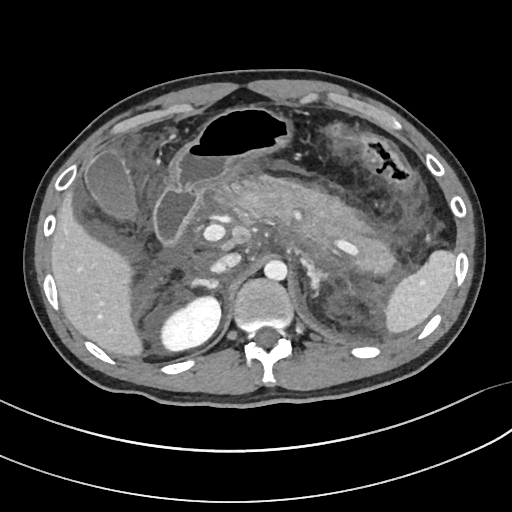
Computed tomography, abdomen · axial view · 512x512 px · SOMATOM Force scanner
<organs><organ name="spleen" x1="387" y1="250" x2="454" y2="332"/><organ name="right kidney" x1="161" y1="296" x2="220" y2="351"/><organ name="gall bladder" x1="86" y1="150" x2="133" y2="214"/><organ name="liver" x1="51" y1="192" x2="143" y2="356"/><organ name="stomach" x1="170" y1="107" x2="288" y2="194"/><organ name="aorta" x1="264" y1="259" x2="287" y2="280"/><organ name="inferior vena cava" x1="210" y1="253" x2="241" y2="273"/><organ name="pancreas" x1="215" y1="177" x2="394" y2="272"/><organ name="right adrenal gland" x1="191" y1="278" x2="218" y2="287"/><organ name="left adrenal gland" x1="301" y1="257" x2="328" y2="290"/><organ name="duodenum" x1="153" y1="189" x2="199" y2="250"/></organs>